CT, abdomen/pelvis; axial plane, index 179
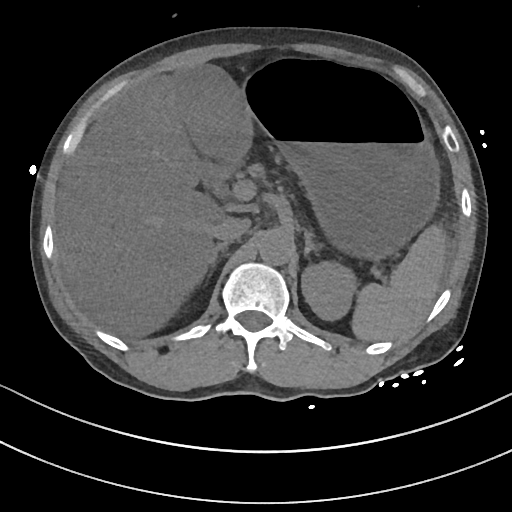
<organs><organ name="duodenum" x1="200" y1="159" x2="237" y2="193"/><organ name="inferior vena cava" x1="211" y1="218" x2="250" y2="240"/><organ name="spleen" x1="353" y1="222" x2="446" y2="340"/><organ name="left adrenal gland" x1="303" y1="229" x2="316" y2="256"/><organ name="aorta" x1="258" y1="227" x2="293" y2="263"/><organ name="liver" x1="56" y1="68" x2="218" y2="336"/><organ name="stomach" x1="244" y1="62" x2="437" y2="255"/><organ name="left kidney" x1="301" y1="262" x2="355" y2="321"/><organ name="right adrenal gland" x1="204" y1="241" x2="228" y2="271"/><organ name="gall bladder" x1="179" y1="67" x2="249" y2="160"/></organs>